Computed tomography, abdomen. axial view. 768x768 px
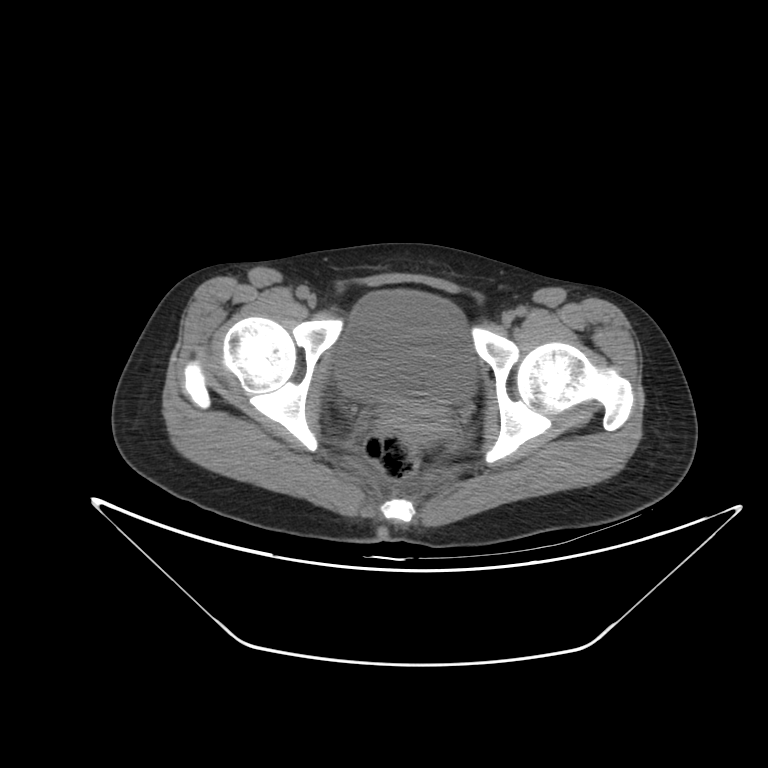 Bounding boxes in pixels, one row per box: x1, y1 is the top-left corner and x2, y2 the bottom-right.
| organ | x1 | y1 | x2 | y2 |
|---|---|---|---|---|
| bladder | 336 | 289 | 475 | 402 |